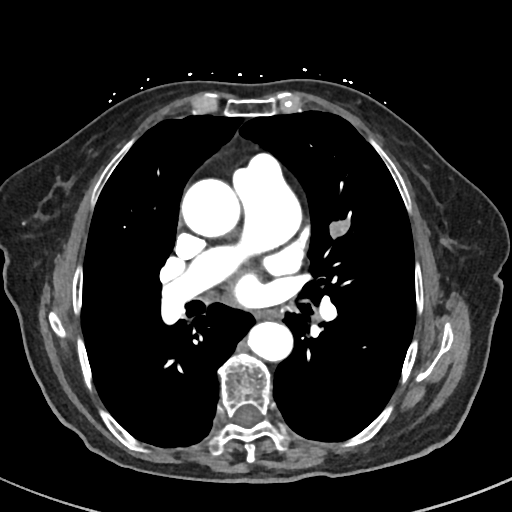 CT of the abdomen extending into the chest, slice through the chest · axial view · soft-tissue window (W 400 / L 40)
On a slice this high in the chest, this dataset labels only the esophagus and the aorta, and each is boxed only where it is labeled; the heart, lungs and other chest structures are not labeled.
{"organs":{"esophagus":[260,310,278,317],"aorta":[[182,179,241,237],[246,321,292,361]]}}